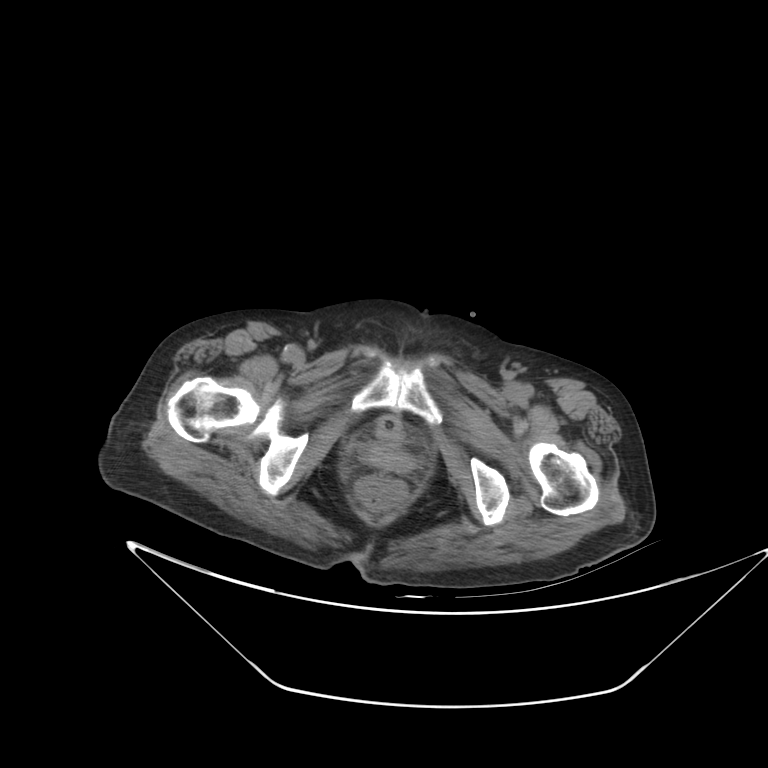
CT, abdomen/pelvis; Axial slice 15/105; soft-tissue window (W 400 / L 40)
Box edges are left/top/right/bottom in pixels. The annotated organs in this slice are: bladder at left=376, top=416, right=400, bottom=437.